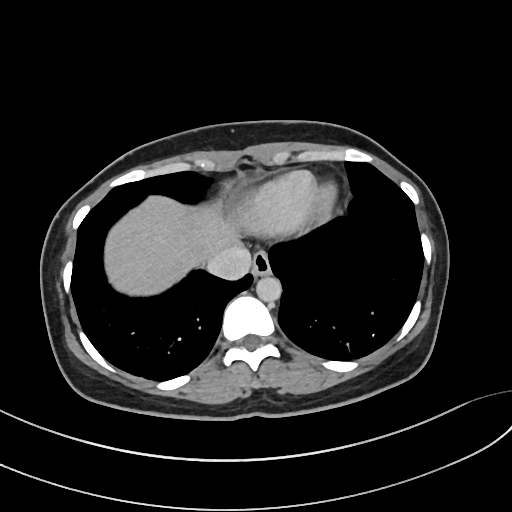

Abdominal CT — axial view
Bounding boxes in pixels, one row per box: x1, y1 is the top-left corner and x2, y2 the bottom-right.
| organ | x1 | y1 | x2 | y2 |
|---|---|---|---|---|
| esophagus | 252 | 251 | 271 | 275 |
| liver | 105 | 196 | 240 | 295 |
| aorta | 256 | 275 | 281 | 302 |
| inferior vena cava | 206 | 244 | 251 | 280 |